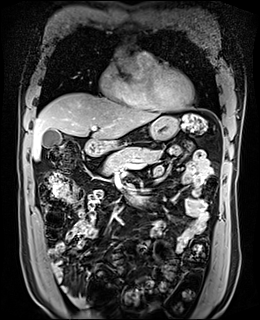

Abdominal MRI — coronal acquisition — 1st–99th percentile window — 260x320 px
Boxes are (x1, y1, x2, y2) in pixels. 6 labeled organs on this slice — stomach at (111, 116, 178, 141); liver at (32, 92, 159, 160); gall bladder at (42, 129, 62, 148); duodenum at (84, 139, 146, 204); pancreas at (103, 147, 161, 174); aorta at (113, 49, 143, 79).